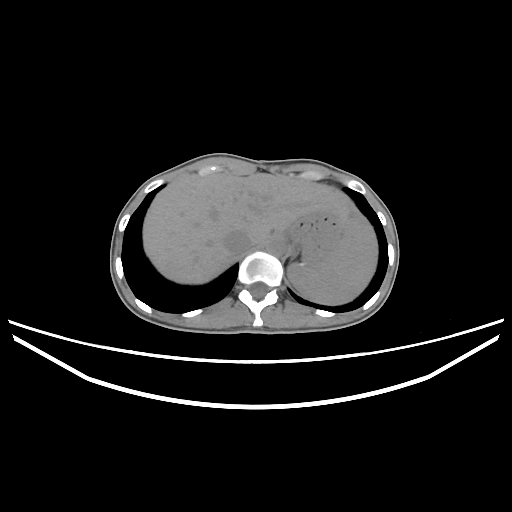
Abdominal CT · axial view
<organs><organ name="spleen" x1="287" y1="215" x2="377" y2="304"/><organ name="liver" x1="143" y1="173" x2="363" y2="283"/><organ name="stomach" x1="285" y1="205" x2="349" y2="263"/><organ name="aorta" x1="266" y1="237" x2="285" y2="256"/><organ name="inferior vena cava" x1="222" y1="231" x2="252" y2="254"/><organ name="left adrenal gland" x1="291" y1="252" x2="298" y2="259"/></organs>